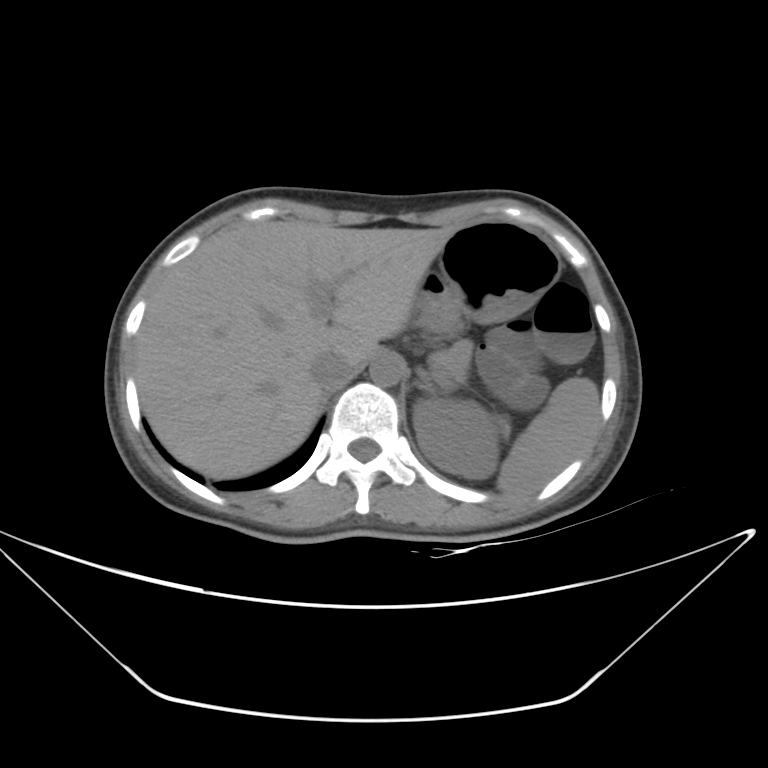
CT, abdomen/pelvis; axial view; 768x768 px; 32-year-old female patient; scan has 15 labeled organs (counted over the whole 3D scan, not this slice; an organ is boxed only where this slice passes through it)
{"organs":{"spleen":[496,377,599,495],"left kidney":[413,399,498,478],"liver":[136,220,455,478],"stomach":[416,220,560,332],"aorta":[369,353,403,386],"inferior vena cava":[310,352,355,387],"pancreas":[429,338,469,382],"left adrenal gland":[418,380,446,396]}}